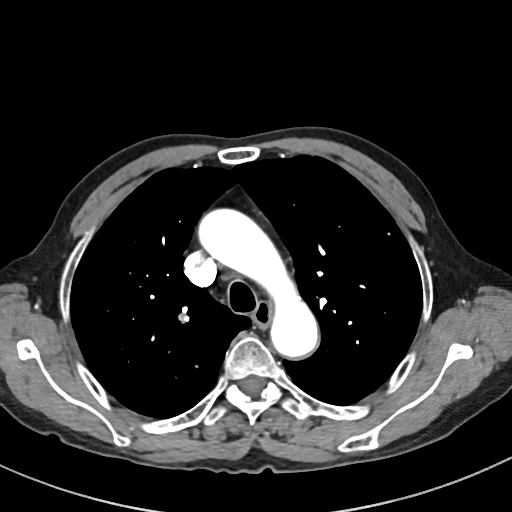

Abdominal CT reaching into the chest; this slice is in the chest — axial view
At this level of the chest no structure but the esophagus and the aorta has a label in this dataset, and those two are boxed only where they are labeled.
Bounding boxes in pixels, one row per box: x1, y1 is the top-left corner and x2, y2 the bottom-right.
| organ | x1 | y1 | x2 | y2 |
|---|---|---|---|---|
| esophagus | 251 | 301 | 270 | 326 |
| aorta | 197 | 209 | 317 | 355 |